MRI, abdomen; Axial slice 15/72; percentile-normalized; scan has 13 labeled organs (that count is for the whole scan; organs this slice misses have no box)
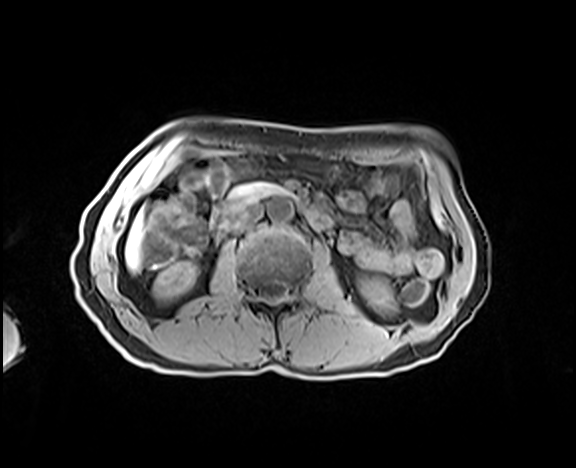
Each box given as x1,y1,x2,y2.
right kidney: x1=154, y1=262, x2=196, y2=301
left kidney: x1=359, y1=277, x2=393, y2=309
liver: x1=125, y1=212, x2=143, y2=271
aorta: x1=267, y1=198, x2=293, y2=222
inferior vena cava: x1=228, y1=205, x2=262, y2=232
pancreas: x1=227, y1=182, x2=293, y2=204
duodenum: x1=208, y1=203, x2=333, y2=236